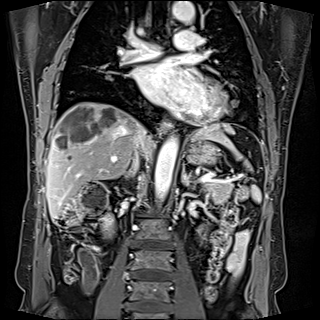

Abdominal MRI; Coronal slice 27/60; 1st–99th percentile window; 320x320 px
Box edges are left/top/right/bottom in pixels. Labeled organs on this slice: spleen at left=194, top=124, right=261, bottom=202, liver at left=46, top=102, right=235, bottom=221, right kidney at left=103, top=216, right=113, bottom=235, inferior vena cava at left=132, top=124, right=146, bottom=167, stomach at left=185, top=137, right=220, bottom=165, pancreas at left=204, top=179, right=233, bottom=204, right adrenal gland at left=125, top=166, right=136, bottom=177, aorta at left=154, top=136, right=178, bottom=201, aorta at left=172, top=1, right=194, bottom=23, left adrenal gland at left=182, top=167, right=194, bottom=188, esophagus at left=163, top=120, right=172, bottom=131.